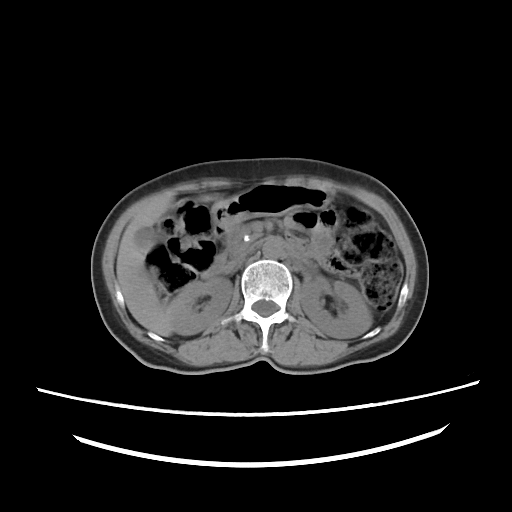
CT, abdomen/pelvis — axial view — soft-tissue window — 512x512 px — 58-year-old female patient
<organs><organ name="right kidney" x1="168" y1="277" x2="232" y2="334"/><organ name="left kidney" x1="300" y1="276" x2="371" y2="338"/><organ name="gall bladder" x1="135" y1="227" x2="156" y2="252"/><organ name="liver" x1="116" y1="195" x2="217" y2="336"/><organ name="stomach" x1="210" y1="183" x2="328" y2="231"/><organ name="aorta" x1="262" y1="237" x2="282" y2="258"/><organ name="inferior vena cava" x1="225" y1="248" x2="252" y2="271"/><organ name="pancreas" x1="226" y1="229" x2="247" y2="252"/><organ name="duodenum" x1="201" y1="229" x2="227" y2="278"/></organs>